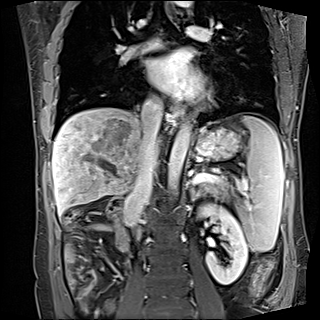 Magnetic resonance imaging, abdomen; coronal view; acquired on Prisma; 13 organs annotated in this scan (a whole-scan count: organs this slice does not pass through have no box)
Bounding boxes in pixels, one row per box: x1, y1 is the top-left corner and x2, y2 the bottom-right.
| organ | x1 | y1 | x2 | y2 |
|---|---|---|---|---|
| spleen | 237 | 116 | 284 | 251 |
| left kidney | 198 | 204 | 248 | 284 |
| esophagus | 163 | 1 | 175 | 20 |
| esophagus | 174 | 104 | 184 | 121 |
| liver | 52 | 107 | 158 | 214 |
| stomach | 197 | 127 | 239 | 159 |
| aorta | 167 | 123 | 191 | 196 |
| aorta | 173 | 1 | 193 | 7 |
| inferior vena cava | 126 | 102 | 162 | 217 |
| pancreas | 201 | 181 | 228 | 200 |
| left adrenal gland | 190 | 187 | 204 | 201 |
| duodenum | 106 | 195 | 130 | 251 |